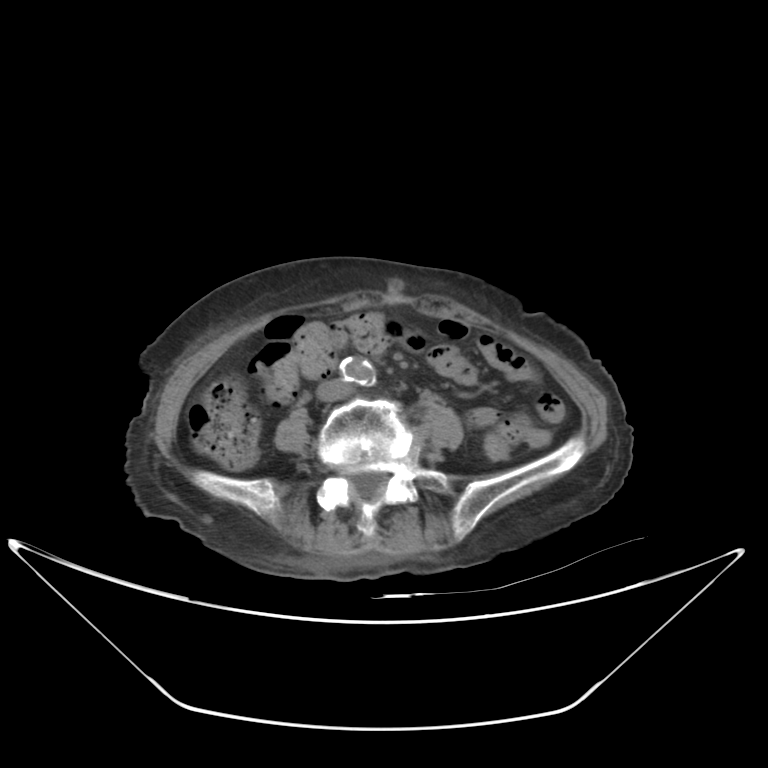

CT, abdomen/pelvis; axial plane, index 38; soft-tissue window (W 400 / L 40); female patient aged 90 or older; 15 organs annotated in this scan (that count is for the whole scan; organs this slice misses have no box)
Boxes: x1 y1 x2 y2 (pixel coords, space-separated). The annotated organs in this slice are: aorta at 339 357 376 387.